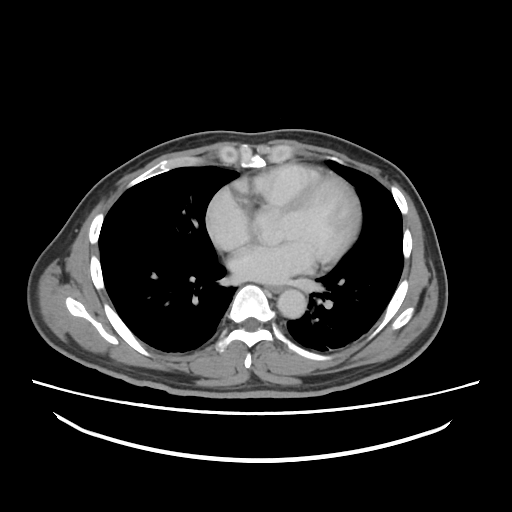
Lower-chest slice from an abdominal CT, just above the liver and spleen; axial view; soft-tissue window; 31-year-old male patient
No part of the heart or lungs is labeled in this dataset, so neither has a box here.
<organs><organ name="aorta" x1="277" y1="289" x2="306" y2="318"/><organ name="esophagus" x1="266" y1="286" x2="283" y2="293"/></organs>